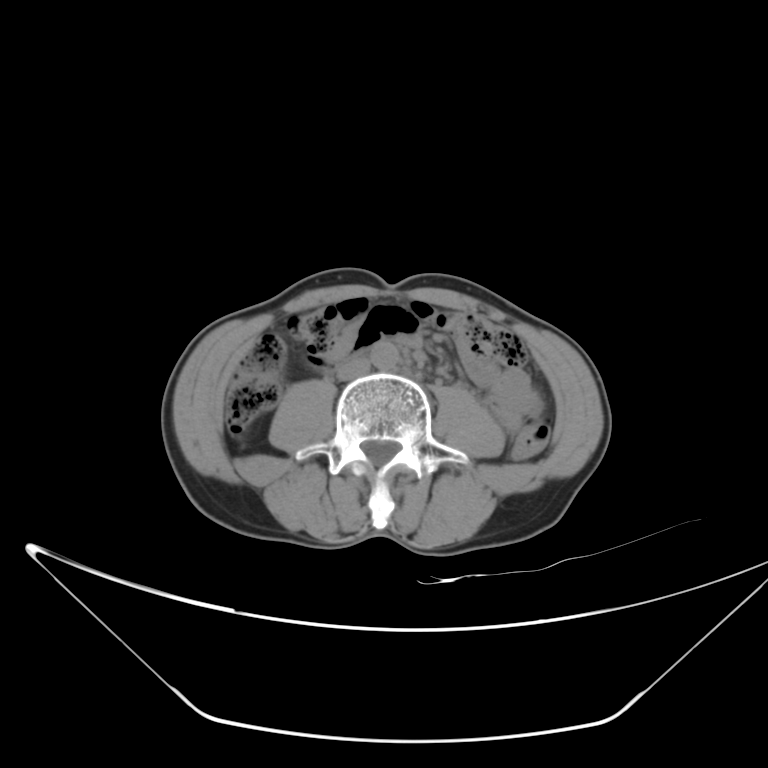 CT abdomen · Axial slice 53/81
One row per box, in pixels: columns x1 and y1 give the top-left corner, x2 and y2 the bottom-right.
| organ | x1 | y1 | x2 | y2 |
|---|---|---|---|---|
| aorta | 370 | 340 | 398 | 371 |
| inferior vena cava | 336 | 357 | 369 | 379 |